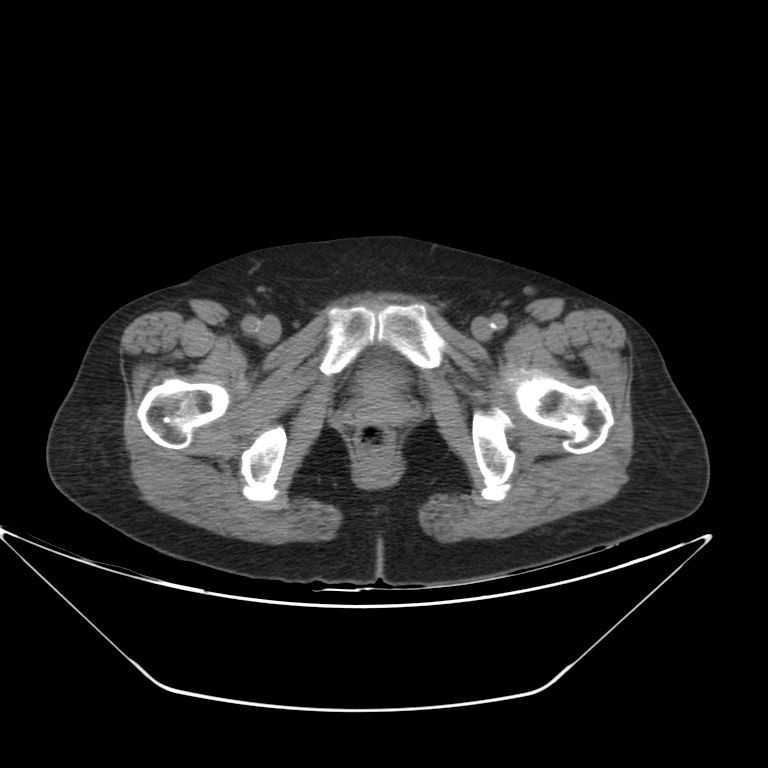
Abdominal CT · Axial slice 12/97 · abdomen soft-tissue window
{"organs":{"bladder":[358,364,400,394]}}